Computed tomography, abdomen; axial view; 768x768 px
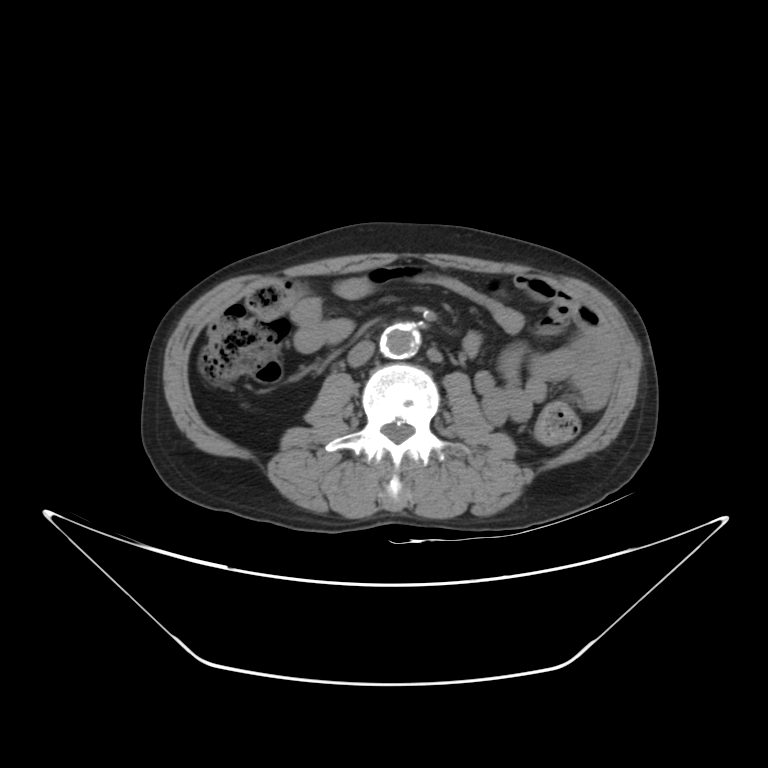

Boxes are (x1, y1, x2, y2) in pixels.
aorta: (381, 324, 418, 358)
inferior vena cava: (347, 340, 373, 366)